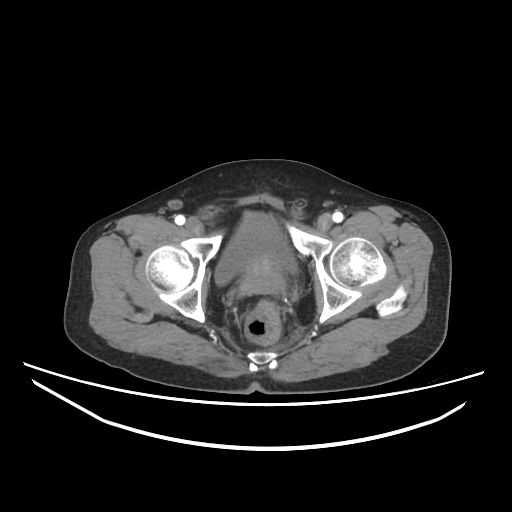 CT, abdomen/pelvis · axial view · soft-tissue window (W 400 / L 40) · 512x512 px
Boxes: x1:y1:x2:y2 in pixels.
prostate/uterus: 244:257:282:291
bladder: 214:212:296:285